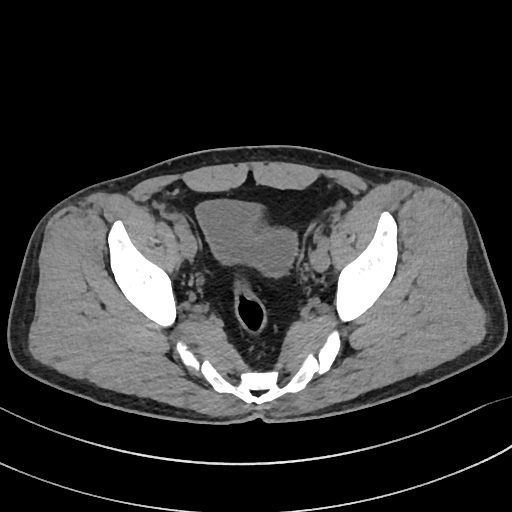
Computed tomography, abdomen — axial plane, index 54 — W/L 400/40 HU — 512x512 px
<organs><organ name="bladder" x1="195" y1="199" x2="298" y2="278"/></organs>